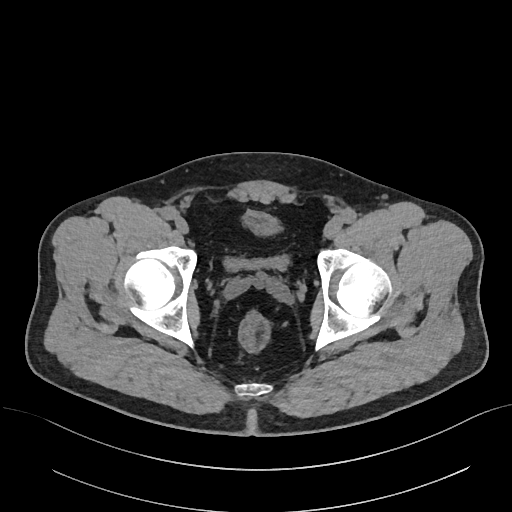
Computed tomography, abdomen · axial view · abdomen soft-tissue window
Bounding boxes in pixels, one row per box: x1, y1 is the top-left corner and x2, y2 the bottom-right.
| organ | x1 | y1 | x2 | y2 |
|---|---|---|---|---|
| bladder | 223 | 209 | 286 | 268 |